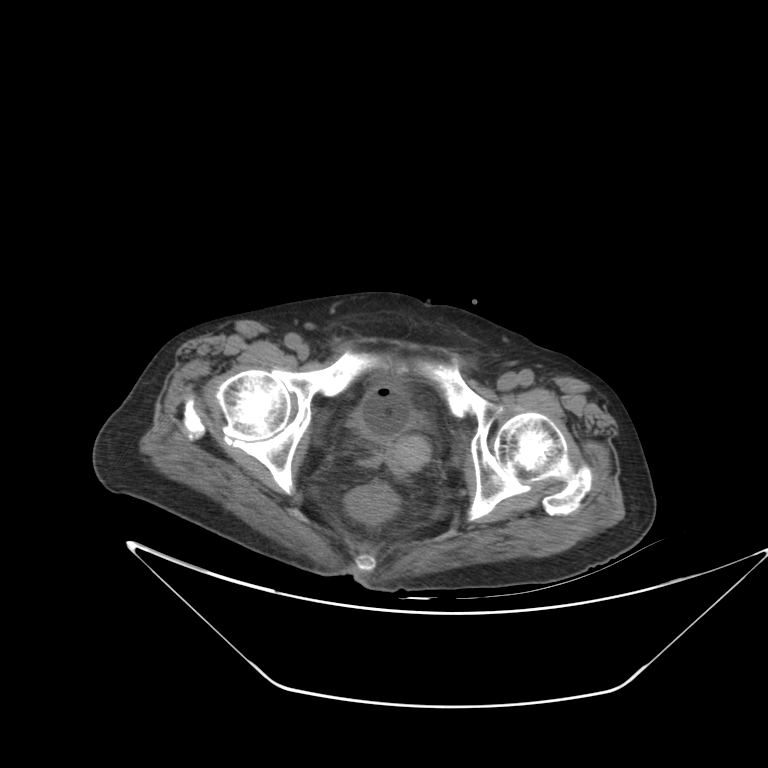
CT abdomen — axial view — soft-tissue window — scan has 15 labeled organs (a whole-scan count: organs this slice does not pass through have no box)
Boxes are (x1, y1, x2, y2) in pixels.
bladder: (351, 383, 427, 439)
prostate/uterus: (392, 437, 430, 467)